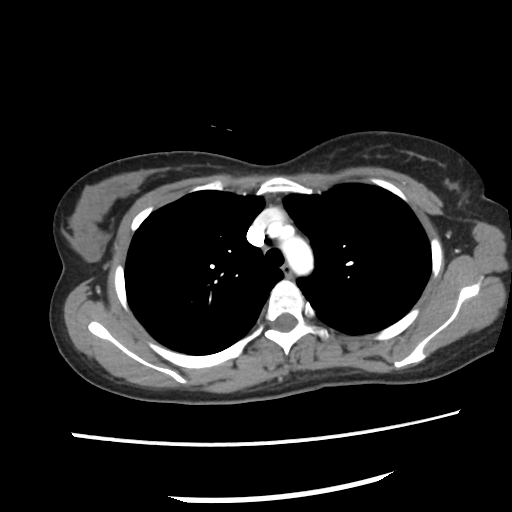

CT of the abdomen extending into the chest, slice through the chest — Axial slice 110/124 — 512x512 px
At this level of the chest no structure but the esophagus and the aorta has a label in this dataset, and those two are boxed only where they are labeled.
{"organs":{"esophagus":[281,263,292,276],"aorta":[279,237,313,273]}}